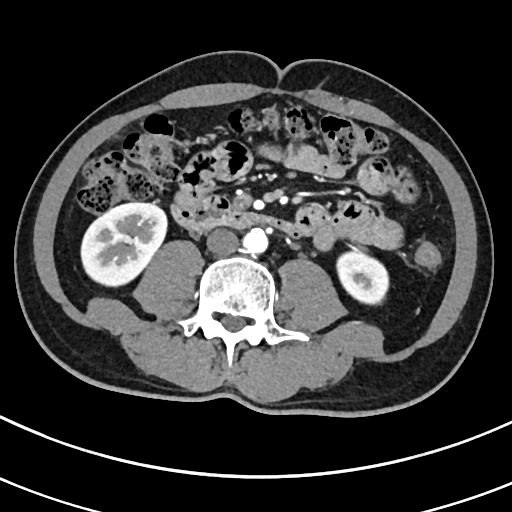

Computed tomography, abdomen · axial view · 512x512 px
<organs><organ name="inferior vena cava" x1="206" y1="228" x2="238" y2="255"/><organ name="duodenum" x1="171" y1="198" x2="299" y2="237"/><organ name="left kidney" x1="337" y1="249" x2="388" y2="304"/><organ name="right kidney" x1="81" y1="202" x2="167" y2="286"/><organ name="aorta" x1="243" y1="228" x2="268" y2="254"/></organs>